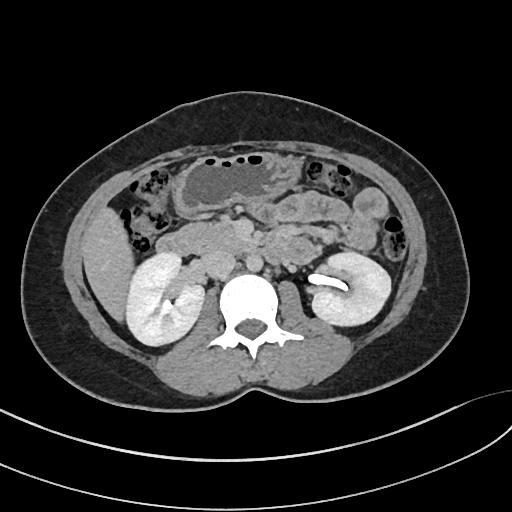

Abdominal CT; axial plane, index 143; abdomen soft-tissue window; 512x512 px
{"organs":{"right kidney":[125,252,204,345],"left kidney":[312,252,390,325],"liver":[82,207,133,321],"stomach":[175,152,300,215],"aorta":[246,254,262,271],"inferior vena cava":[200,250,235,278],"pancreas":[182,220,250,252],"duodenum":[156,229,287,263]}}